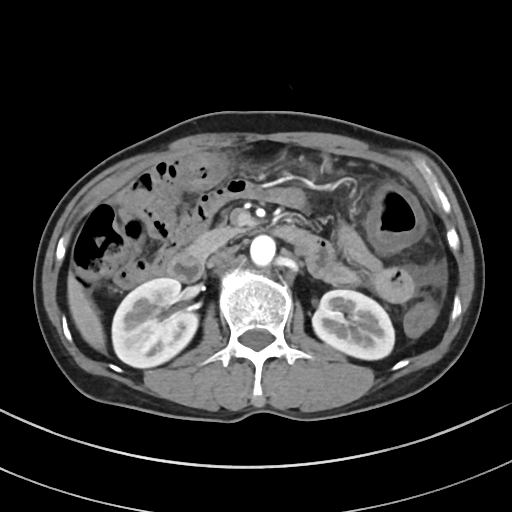
CT, abdomen/pelvis. Axial slice 58/89. soft-tissue window (W 400 / L 40)
Bounding boxes in pixels, one row per box: x1, y1 is the top-left corner and x2, y2 the bottom-right.
| organ | x1 | y1 | x2 | y2 |
|---|---|---|---|---|
| right kidney | 112 | 277 | 198 | 368 |
| left kidney | 312 | 289 | 394 | 359 |
| liver | 67 | 273 | 105 | 350 |
| aorta | 250 | 235 | 275 | 265 |
| inferior vena cava | 208 | 246 | 237 | 266 |
| pancreas | 187 | 226 | 245 | 257 |
| duodenum | 164 | 226 | 320 | 282 |